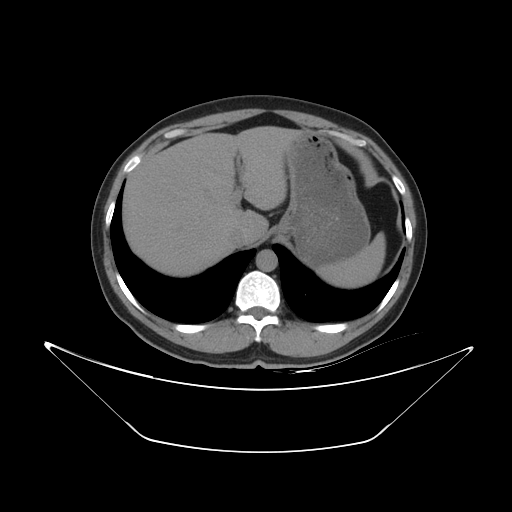
Computed tomography, abdomen — Axial slice 76/83 — soft-tissue window — acquired on Brilliance16
Bounding boxes as [x1, y1, x2, y2] in pixel coordinates.
spleen: [317, 232, 385, 288]
liver: [122, 126, 300, 276]
stomach: [276, 132, 370, 267]
aorta: [256, 249, 277, 271]
inferior vena cava: [227, 228, 245, 247]